Abdominal CT — Axial slice 53/208 — acquired on SOMATOM Force — scan has 15 labeled organs (a whole-scan count: organs this slice does not pass through have no box)
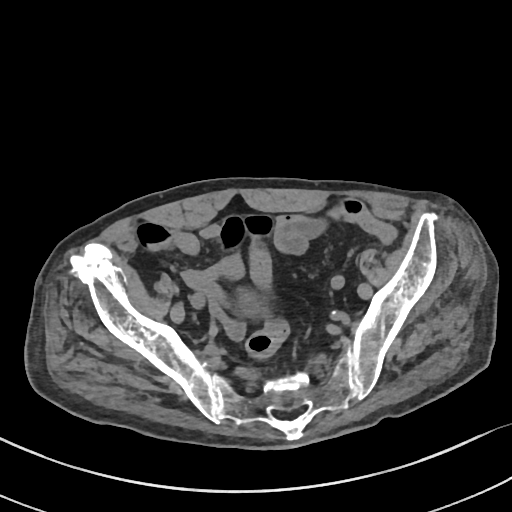

Boxes: x1:y1:x2:y2 in pixels.
Organ bounding boxes:
- bladder: 238:292:264:313